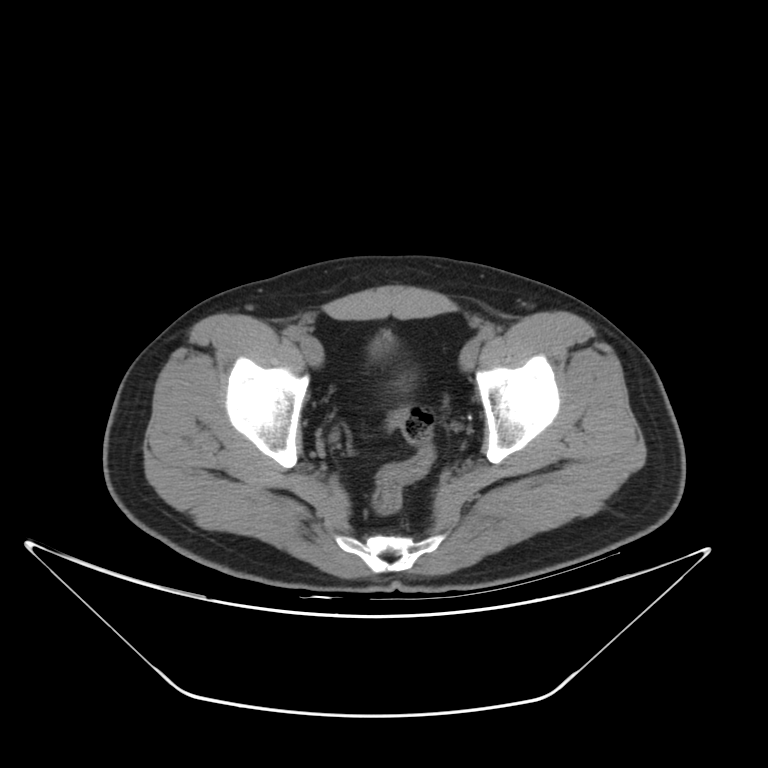 CT, abdomen/pelvis; axial plane, index 26; 40-year-old male patient
Boxes are (x1, y1, x2, y2) in pixels.
bladder: (371, 335, 392, 355)